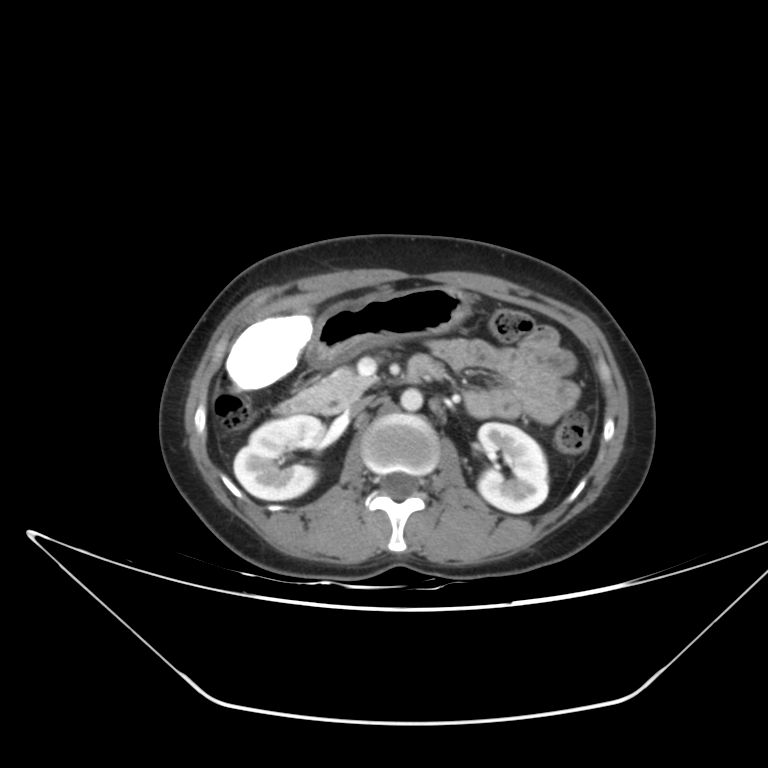 Abdominal CT · Axial slice 11/72 · 34-year-old female patient · scan has 13 labeled organs (that count is for the whole scan; organs this slice misses have no box)
{"organs":{"right kidney":[233,415,325,500],"left kidney":[478,422,548,513],"liver":[226,311,313,389],"stomach":[307,286,470,367],"aorta":[400,388,423,411],"inferior vena cava":[346,396,372,414],"pancreas":[295,367,375,412],"duodenum":[275,355,444,414]}}